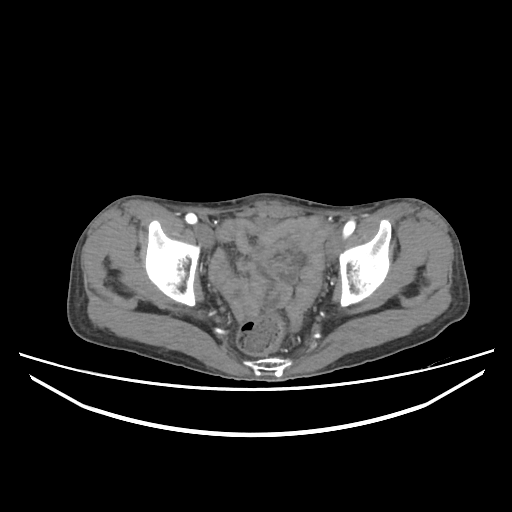

Computed tomography, abdomen. Axial slice 16/118. 512x512 px
{"organs":{"bladder":[254,218,276,227]}}